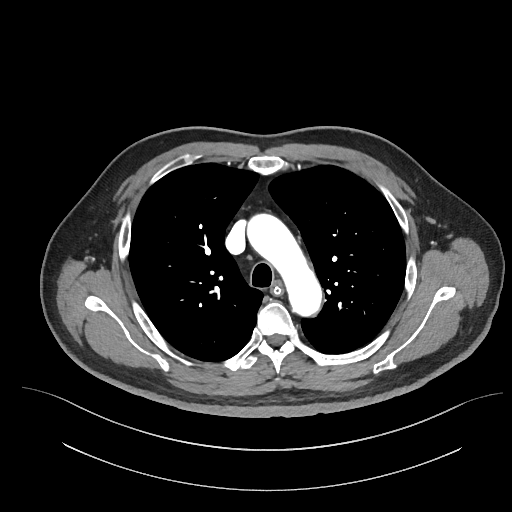 CT of the abdomen extending into the chest, slice through the chest · axial view · soft-tissue window, W/L 400/40
At this level of the chest this dataset labels only the esophagus and the aorta, and each is boxed only where it is labeled; the heart and lungs are never labeled.
{"organs":{"esophagus":[272,282,281,294],"aorta":[247,214,321,316]}}